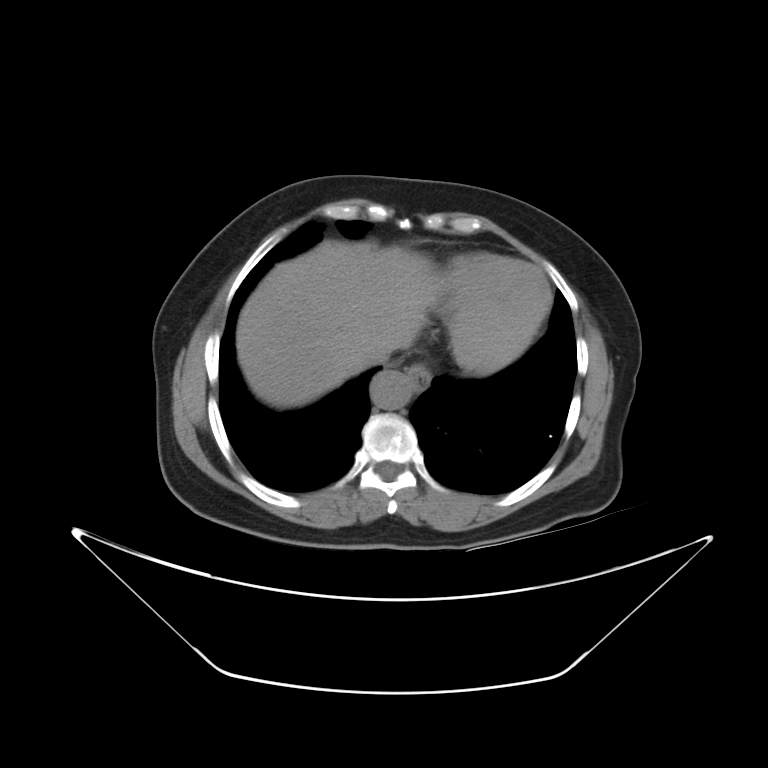

Computed tomography, abdomen; axial view; W/L 400/40 HU; 768x768 px; 56-year-old female patient; scan has 15 labeled organs (that count is for the whole scan; organs this slice misses have no box)
Boxes: x1:y1:x2:y2 in pixels. 4 labeled organs on this slice — esophagus at 404:366:429:390; liver at 237:243:435:408; aorta at 370:369:410:408; inferior vena cava at 358:345:391:372.